Abdominal MRI; coronal acquisition; 1st–99th percentile window; scan has 13 labeled organs (a whole-scan count: organs this slice does not pass through have no box)
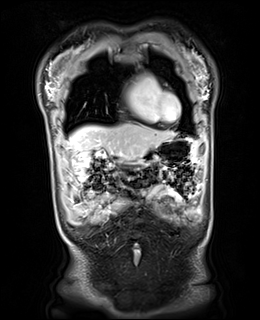

One row per box, in pixels: columns x1 and y1 give the top-left corner, x2 and y2 the bottom-right.
| organ | x1 | y1 | x2 | y2 |
|---|---|---|---|---|
| liver | 69 | 124 | 176 | 155 |
| stomach | 117 | 136 | 199 | 165 |